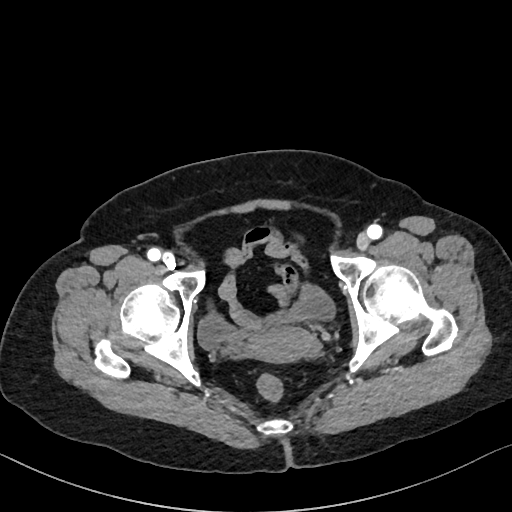
CT abdomen; axial view; W/L 400/40 HU
<organs><organ name="bladder" x1="198" y1="285" x2="332" y2="346"/><organ name="prostate/uterus" x1="251" y1="325" x2="315" y2="362"/></organs>